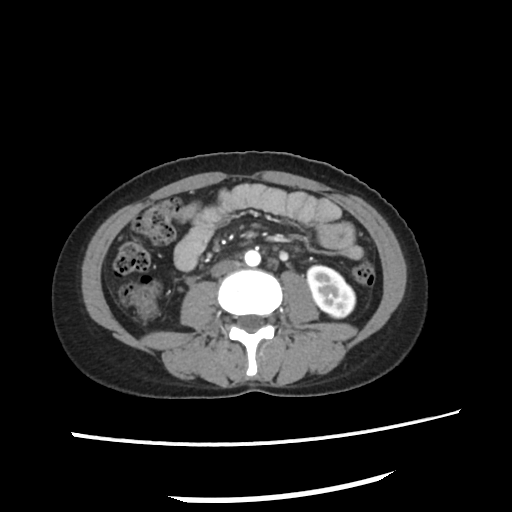
CT abdomen. axial plane, index 49. W/L 400/40 HU. acquired on Aquilion ONE
Boxes: x1:y1:x2:y2 in pixels.
left kidney: 307:265:355:317
aorta: 245:250:261:266
inferior vena cava: 211:260:238:276